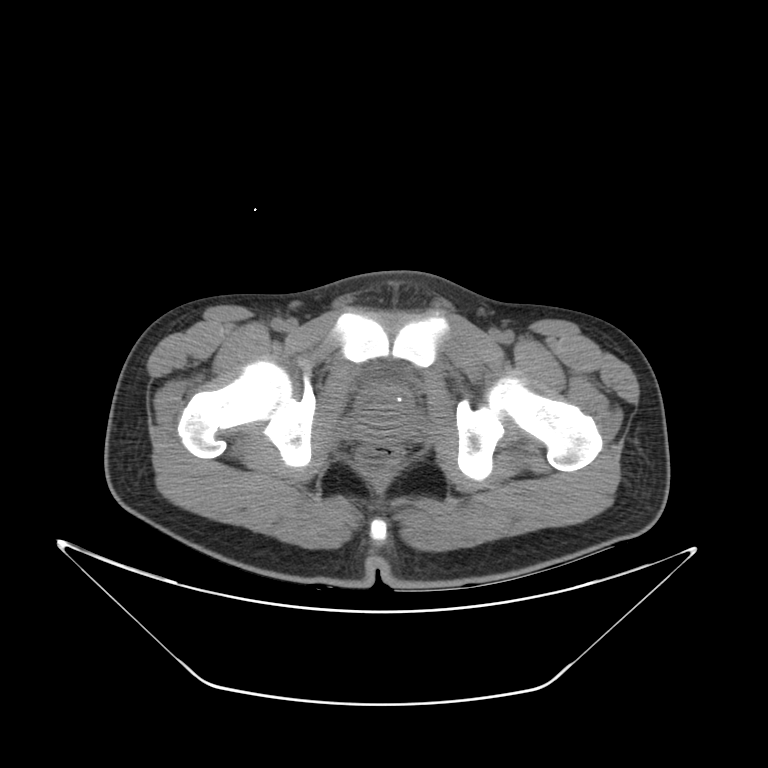 Computed tomography, abdomen · axial plane, index 17 · soft-tissue window · scan has 15 labeled organs (counted over the whole 3D scan, not this slice; an organ is boxed only where this slice passes through it)
Bounding boxes as [x1, y1, x2, y2] in pixel coordinates. The annotated organs in this slice are: bladder at [355, 363, 414, 389], prostate/uterus at [354, 382, 413, 433].